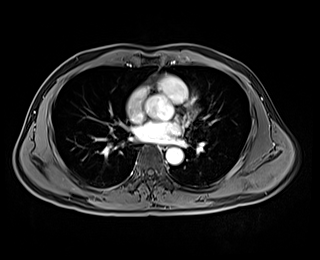

MRI of the abdomen reaching into the lower chest, slice just above the liver and spleen · axial view · 320x260 px · 13 organs annotated in this scan (that count is for the whole scan; organs this slice misses have no box)
Of the structures in the chest, this dataset labels only the esophagus, the aorta and the inferior vena cava; the heart and lungs have no label.
{"organs":{"esophagus":[160,144,168,149],"aorta":[166,148,183,164]}}